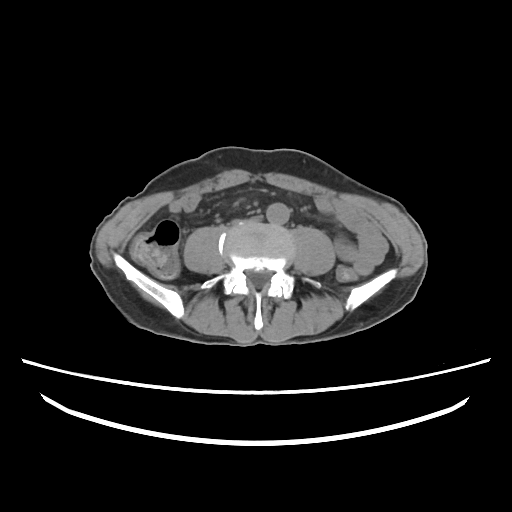
Computed tomography, abdomen · axial plane, index 47 · abdomen soft-tissue window · 54-year-old male patient
<organs><organ name="aorta" x1="265" y1="203" x2="288" y2="223"/></organs>